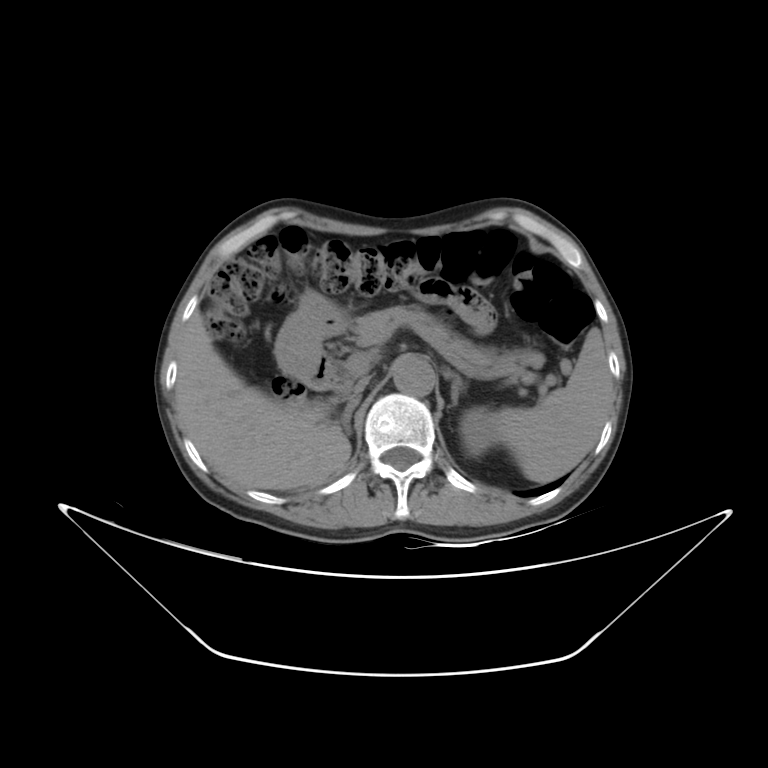 Computed tomography, abdomen; axial view; W/L 400/40 HU; 52-year-old male patient; 14 organs annotated in this scan (counted over the whole 3D scan, not this slice; an organ is boxed only where this slice passes through it)
{"organs":{"left adrenal gland":[442,367,466,405],"liver":[175,311,350,490],"pancreas":[350,306,544,369],"spleen":[495,328,612,482],"aorta":[393,356,434,396],"right adrenal gland":[341,397,359,436],"duodenum":[301,350,345,391],"inferior vena cava":[352,378,368,393],"stomach":[275,289,350,379],"left kidney":[460,407,500,456]}}